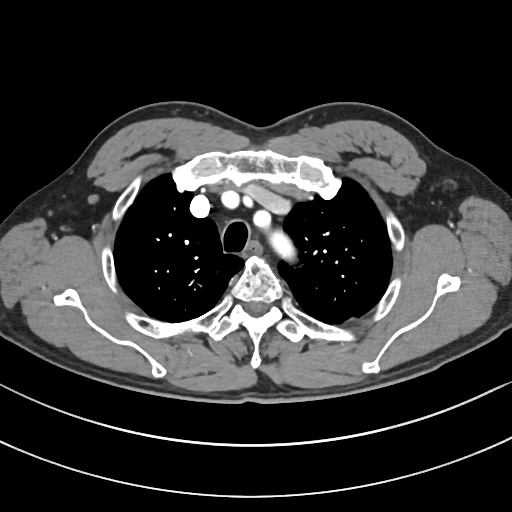 Abdominal CT reaching into the chest; this slice is in the chest — axial view — acquired on SOMATOM Force
At this level of the chest this dataset labels only the esophagus and the aorta, and each is boxed only where it is labeled; the heart and lungs are never labeled.
Box edges are left/top/right/bottom in pixels.
Organ bounding boxes:
- esophagus: left=250, top=245, right=257, bottom=252
- aorta: left=270, top=232, right=294, bottom=259